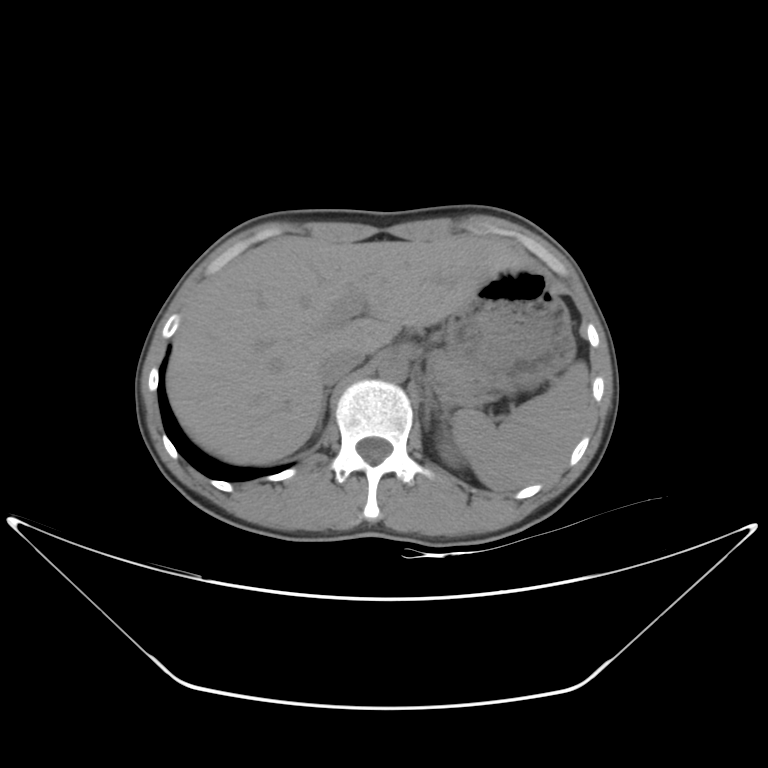 CT, abdomen/pelvis. axial view
Bounding boxes in pixels, one row per box: x1, y1 is the top-left corner and x2, y2 the bottom-right.
| organ | x1 | y1 | x2 | y2 |
|---|---|---|---|---|
| spleen | 452 | 361 | 590 | 491 |
| left kidney | 437 | 435 | 465 | 467 |
| liver | 166 | 233 | 532 | 465 |
| stomach | 446 | 267 | 576 | 387 |
| aorta | 378 | 356 | 407 | 383 |
| inferior vena cava | 318 | 346 | 365 | 384 |
| pancreas | 429 | 349 | 483 | 395 |
| right adrenal gland | 316 | 391 | 327 | 429 |
| left adrenal gland | 423 | 380 | 448 | 431 |